CT abdomen · axial view · W/L 400/40 HU · 15 organs annotated in this scan (a whole-scan count: organs this slice does not pass through have no box)
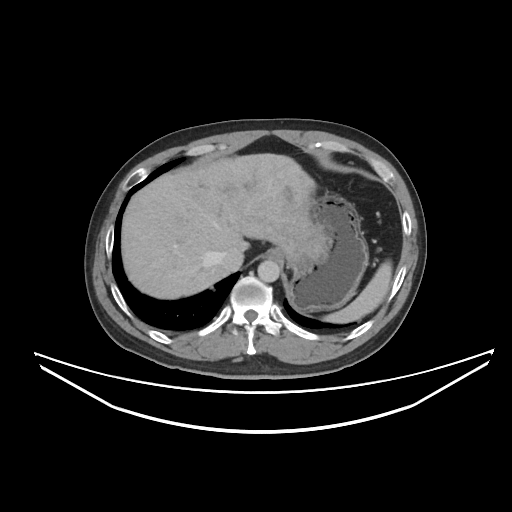
Each box given as x1,y1,x2,y2. 6 labeled organs on this slice — spleen at x1=322, y1=260, x2=392, y2=323; esophagus at x1=269, y1=250, x2=284, y2=260; liver at x1=121, y1=153, x2=325, y2=299; stomach at x1=287, y1=193, x2=368, y2=311; aorta at x1=257, y1=260, x2=279, y2=282; inferior vena cava at x1=219, y1=247, x2=243, y2=271.